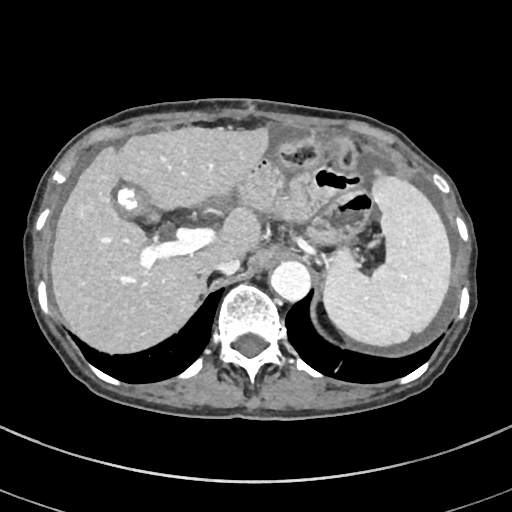

Computed tomography, abdomen. axial view. soft-tissue window. 512x512 px
Boxes are (x1, y1, x2, y2) in pixels.
Organ bounding boxes:
- spleen: (324, 169, 451, 346)
- gall bladder: (117, 187, 147, 214)
- liver: (50, 126, 269, 353)
- aorta: (270, 261, 310, 301)
- inferior vena cava: (199, 259, 240, 274)
- right adrenal gland: (198, 274, 207, 294)